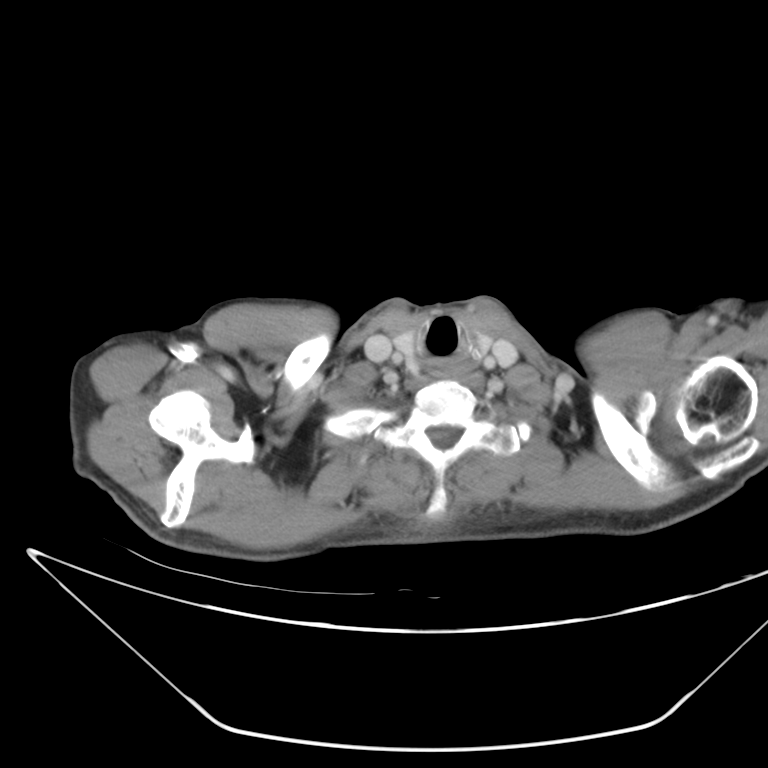
CT of the abdomen extending into the chest, slice through the chest — axial plane, index 102 — W/L 400/40 HU — 62-year-old male patient
At this level of the chest no structure but the esophagus and the aorta has a label in this dataset, and those two are boxed only where they are labeled. Box edges are left/top/right/bottom in pixels. The annotated organs in this slice are: esophagus at left=421, top=357, right=452, bottom=378.